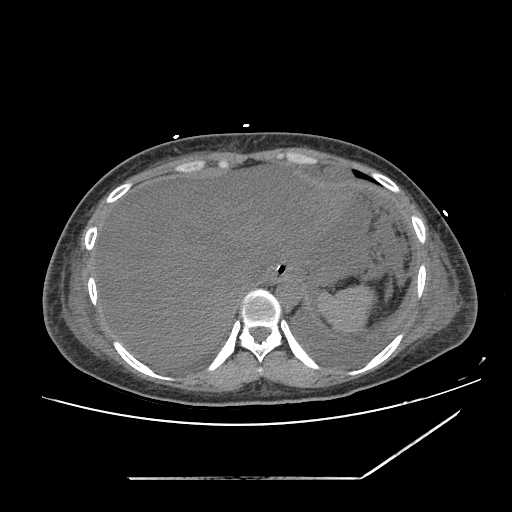
Computed tomography, abdomen. axial view
Bounding boxes in pixels, one row per box: x1, y1 is the top-left corner and x2, y2 the bottom-right.
| organ | x1 | y1 | x2 | y2 |
|---|---|---|---|---|
| inferior vena cava | 233 | 272 | 257 | 294 |
| stomach | 272 | 254 | 330 | 285 |
| spleen | 316 | 285 | 373 | 333 |
| esophagus | 266 | 269 | 285 | 282 |
| aorta | 276 | 278 | 302 | 304 |
| liver | 94 | 162 | 354 | 366 |